Computed tomography, abdomen · axial view · soft-tissue window · 512x512 px · 50-year-old male patient
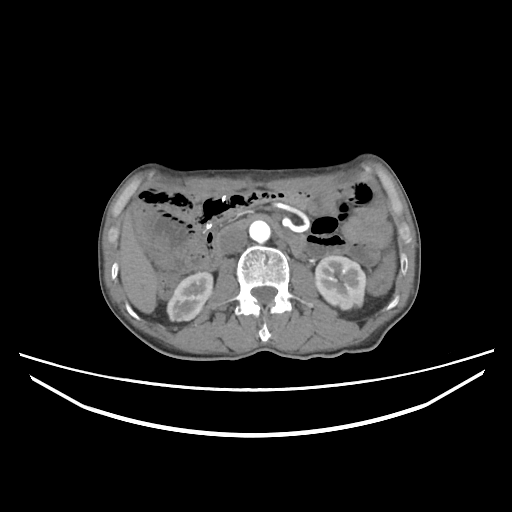
Boxes are (x1, y1, x2, y2) in pixels. Labeled organs on this slice: right kidney at (167, 272, 212, 321), left kidney at (315, 255, 365, 309), liver at (120, 208, 156, 313), aorta at (249, 220, 270, 242), inferior vena cava at (219, 227, 247, 254), duodenum at (209, 214, 305, 269).